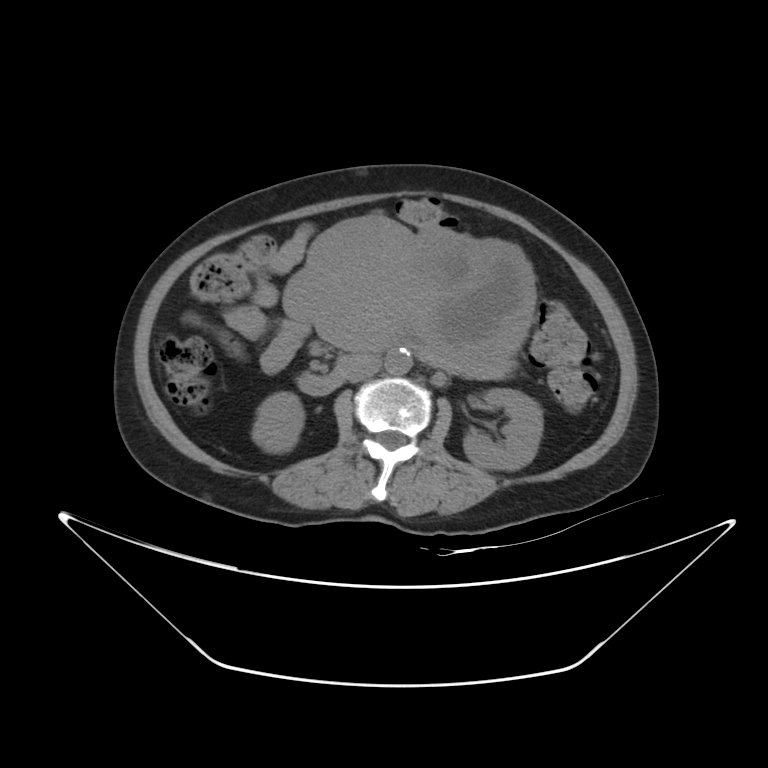

Computed tomography, abdomen; axial view; 768x768 px; acquired on Brilliance16; 15 organs annotated in this scan (that count is for the whole scan; organs this slice misses have no box)
{"organs":{"inferior vena cava":[347,355,381,382],"stomach":[282,219,535,378],"left kidney":[463,388,542,470],"duodenum":[297,351,362,395],"right kidney":[251,392,304,452],"aorta":[385,348,412,375]}}